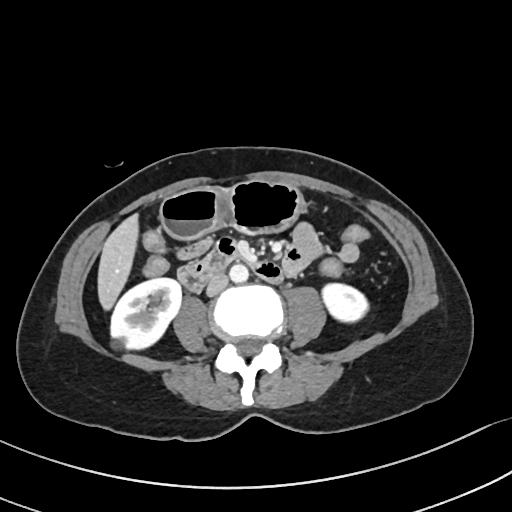
Computed tomography, abdomen; axial view; scan has 15 labeled organs (a whole-scan count: organs this slice does not pass through have no box)
<organs><organ name="liver" x1="97" y1="214" x2="137" y2="311"/><organ name="left kidney" x1="319" y1="282" x2="367" y2="320"/><organ name="right kidney" x1="109" y1="279" x2="181" y2="350"/><organ name="aorta" x1="229" y1="264" x2="248" y2="283"/><organ name="duodenum" x1="176" y1="237" x2="282" y2="293"/><organ name="inferior vena cava" x1="206" y1="273" x2="227" y2="296"/><organ name="stomach" x1="161" y1="181" x2="309" y2="240"/></organs>